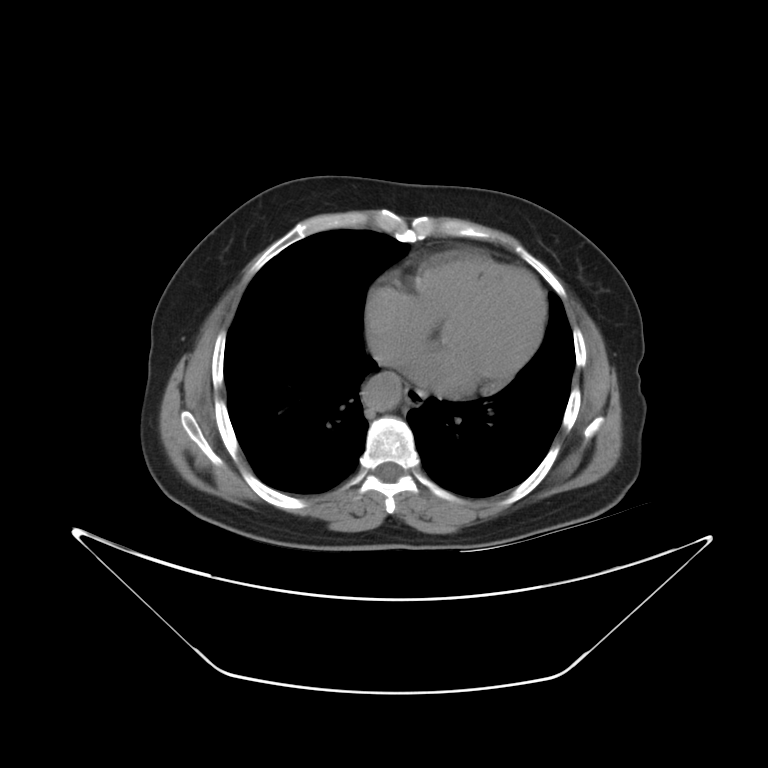 Lower-chest slice from an abdominal CT, just above the liver and spleen. axial view. soft-tissue window (W 400 / L 40). 56-year-old female patient
Of the structures in the chest, this dataset labels only the esophagus, the aorta and the inferior vena cava; the heart and lungs have no label.
<organs><organ name="esophagus" x1="404" y1="386" x2="431" y2="407"/><organ name="aorta" x1="363" y1="369" x2="400" y2="411"/><organ name="inferior vena cava" x1="394" y1="372" x2="399" y2="378"/></organs>